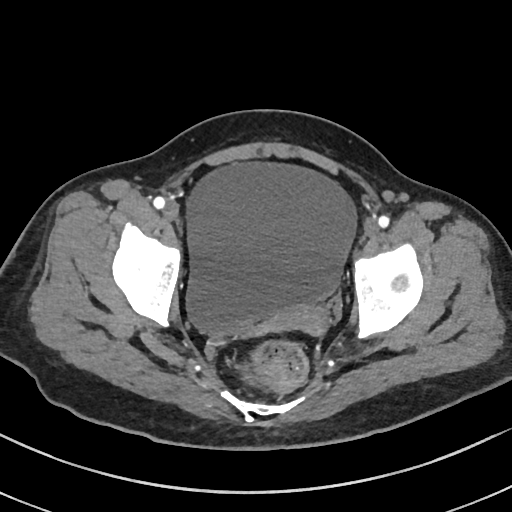
CT abdomen · axial plane, index 29 · soft-tissue window (W 400 / L 40)
<organs><organ name="prostate/uterus" x1="276" y1="306" x2="330" y2="335"/><organ name="bladder" x1="183" y1="161" x2="356" y2="338"/></organs>